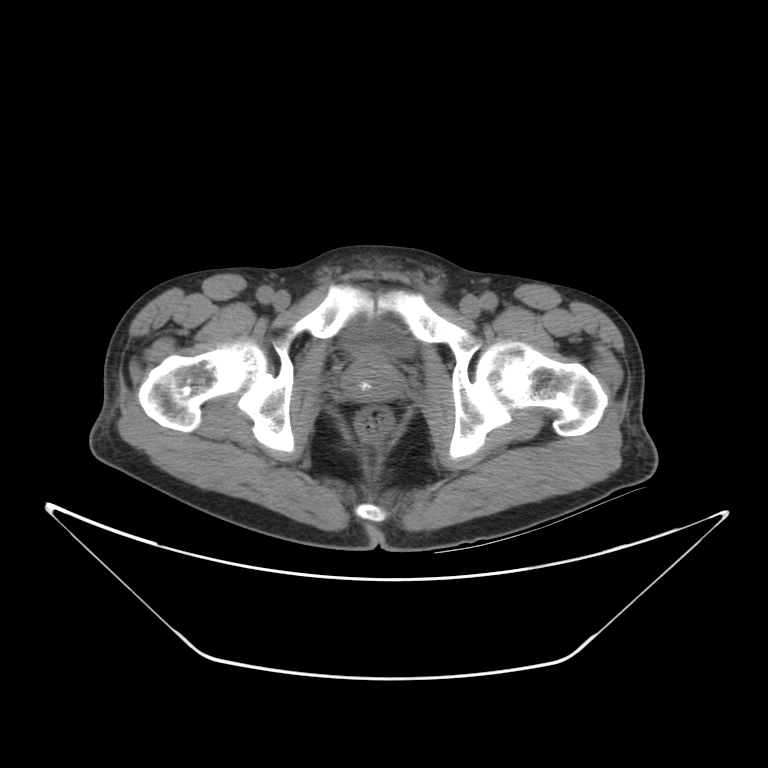

Abdominal CT. axial view. soft-tissue window (W 400 / L 40)
Coordinates as <box>x1,y1,x2,y2</box> in pixels.
bladder: <box>342,322,413,356</box>
prostate/uterus: <box>341,360,396,400</box>